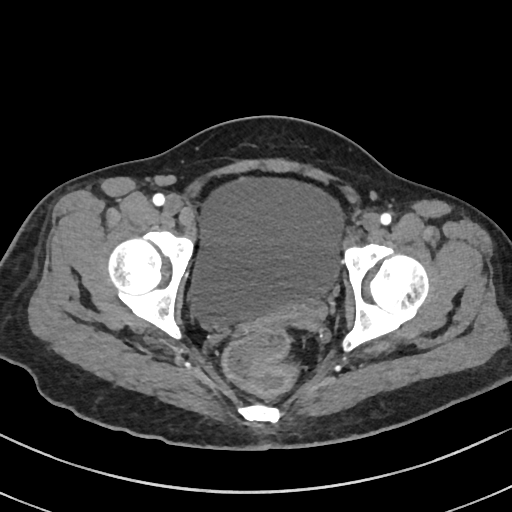 Computed tomography, abdomen · Axial slice 24/191 · W/L 400/40 HU
<organs><organ name="bladder" x1="188" y1="177" x2="344" y2="327"/><organ name="prostate/uterus" x1="276" y1="302" x2="329" y2="329"/></organs>